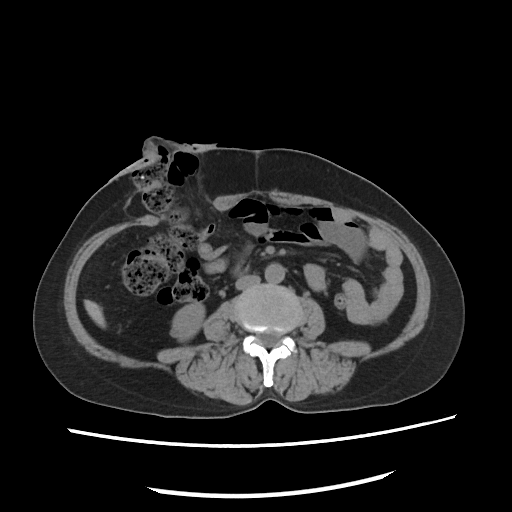 CT abdomen — axial view — soft-tissue window (W 400 / L 40) — 56-year-old female patient
Coordinates as <box>x1,y1,x2,y2</box> in pixels. The annotated organs in this slice are: right kidney at <box>171,303,204,337</box>, liver at <box>84,301,106,329</box>, aorta at <box>266,263,285,281</box>, inferior vena cava at <box>235,275,260,290</box>.